CT abdomen; Axial slice 61/116; soft-tissue window; 15 organs annotated in this scan (that count is for the whole scan; organs this slice misses have no box)
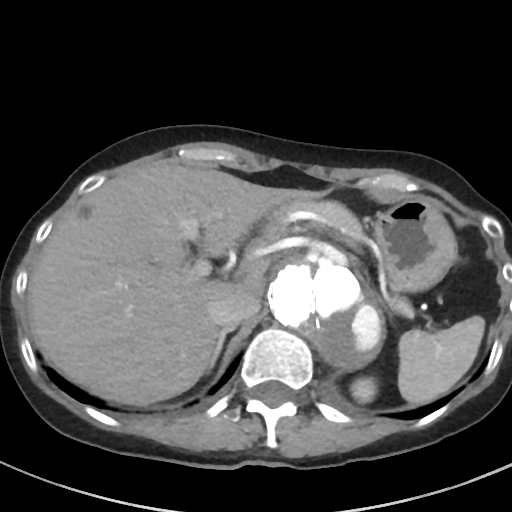
Each box given as x1,y1,x2,y2.
spleen: x1=398, y1=316, x2=484, y2=403
left kidney: x1=351, y1=377, x2=376, y2=402
liver: x1=27, y1=162, x2=320, y2=405
stomach: x1=372, y1=196, x2=456, y2=291
aorta: x1=267, y1=254, x2=382, y2=368
inferior vena cava: x1=209, y1=288, x2=260, y2=327
pancreas: x1=258, y1=200, x2=413, y2=317
right adrenal gland: x1=211, y1=327, x2=234, y2=366